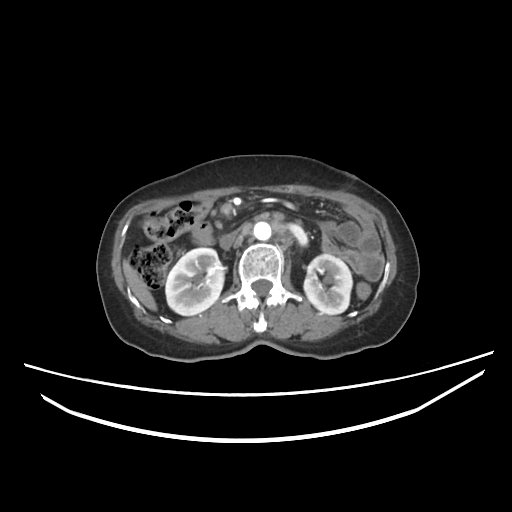

CT, abdomen/pelvis · axial view · Aquilion ONE scanner
Organ boxes in pixel coordinates; each row gives the top-left (x1, y1) and bottom-right (x2, y2) corners.
| organ | x1 | y1 | x2 | y2 |
|---|---|---|---|---|
| left kidney | 303 | 254 | 353 | 313 |
| duodenum | 190 | 222 | 215 | 244 |
| liver | 123 | 259 | 157 | 311 |
| inferior vena cava | 219 | 231 | 238 | 250 |
| aorta | 254 | 223 | 271 | 239 |
| right kidney | 165 | 247 | 225 | 315 |